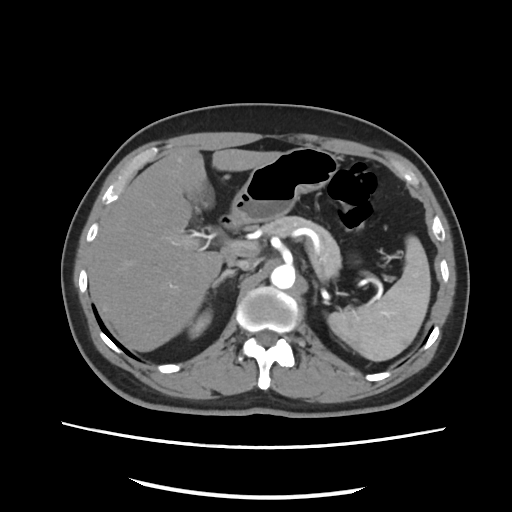
Computed tomography, abdomen; axial view; 512x512 px; acquired on Aquilion ONE; scan has 15 labeled organs (that count is for the whole scan; organs this slice misses have no box)
Each box given as x1,y1,x2,y2. The annotated organs in this slice are: spleen at x1=328, y1=234, x2=430, y2=362, right kidney at x1=188, y1=309, x2=211, y2=339, gall bladder at x1=191, y1=201, x2=202, y2=222, liver at x1=92, y1=147, x2=279, y2=350, stomach at x1=230, y1=148, x2=339, y2=224, aorta at x1=270, y1=265, x2=296, y2=289, inferior vena cava at x1=226, y1=257, x2=259, y2=270, pancreas at x1=262, y1=215, x2=340, y2=281, right adrenal gland at x1=212, y1=269, x2=236, y2=290, left adrenal gland at x1=314, y1=280, x2=319, y2=289, duodenum at x1=219, y1=217, x2=243, y2=231.